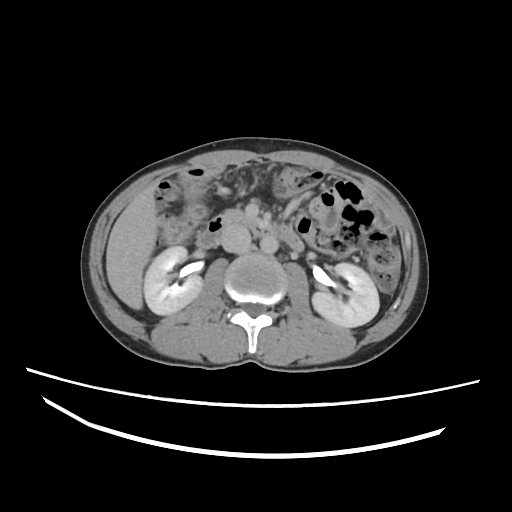
CT, abdomen/pelvis · axial plane, index 67 · 512x512 px · scan has 15 labeled organs (a whole-scan count: organs this slice does not pass through have no box)
Bounding boxes in pixels, one row per box: x1, y1 is the top-left corner and x2, y2 the bottom-right.
| organ | x1 | y1 | x2 | y2 |
|---|---|---|---|---|
| right kidney | 143 | 246 | 202 | 316 |
| left kidney | 312 | 263 | 378 | 327 |
| liver | 105 | 183 | 158 | 310 |
| aorta | 260 | 235 | 279 | 254 |
| inferior vena cava | 218 | 226 | 250 | 251 |
| pancreas | 220 | 207 | 244 | 217 |
| duodenum | 197 | 217 | 305 | 250 |